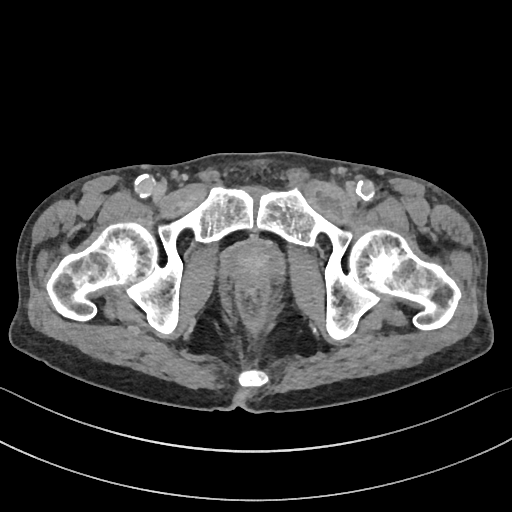

CT abdomen — Axial slice 28/204 — abdomen soft-tissue window — 512x512 px — scan has 15 labeled organs (that count is for the whole scan; organs this slice misses have no box)
Boxes: x1 y1 x2 y2 (pixel coords, space-separated).
prostate/uterus: 221 240 284 289